MRI, abdomen · Coronal slice 19/60 · 1st–99th percentile window · 320x320 px
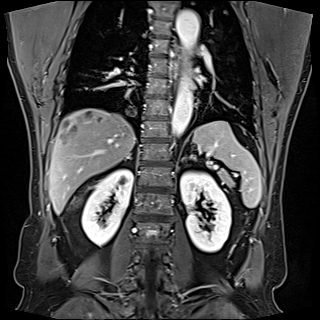

Each box given as x1,y1,x2,y2.
Organ bounding boxes:
- spleen: x1=193, y1=121, x2=261, y2=208
- right kidney: x1=82, y1=169, x2=132, y2=245
- left kidney: x1=180, y1=171, x2=231, y2=252
- esophagus: x1=172, y1=47, x2=179, y2=82
- liver: x1=48, y1=108, x2=135, y2=214
- aorta: x1=171, y1=74, x2=193, y2=136
- aorta: x1=175, y1=10, x2=199, y2=53
- pancreas: x1=216, y1=170, x2=233, y2=187
- right adrenal gland: x1=125, y1=153, x2=131, y2=160
- left adrenal gland: x1=189, y1=154, x2=193, y2=157